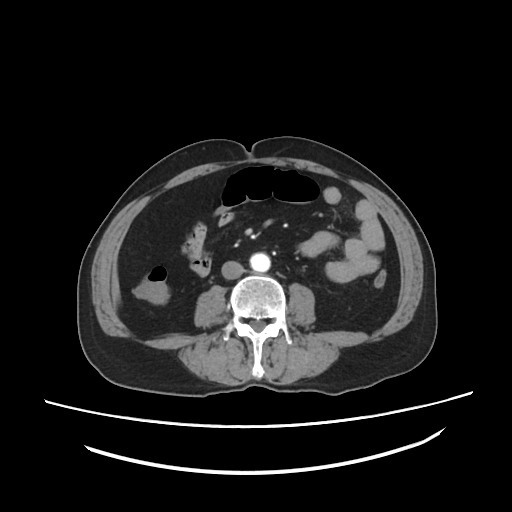
Computed tomography, abdomen; axial plane, index 49; 512x512 px
{"organs":{"inferior vena cava":[221,261,244,279],"aorta":[245,252,270,272]}}